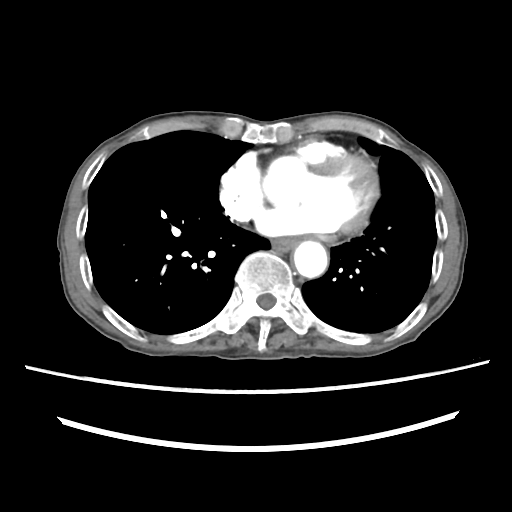 Lower-chest slice from an abdominal CT, just above the liver and spleen — axial view
No part of the heart or lungs is labeled in this dataset, so neither has a box here.
Boxes: x1:y1:x2:y2 in pixels.
Organ bounding boxes:
- esophagus: 271:238:297:251
- aorta: 293:241:327:277